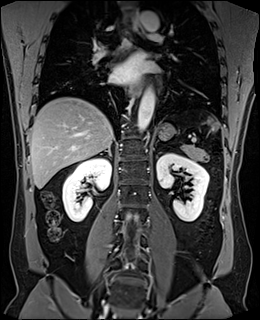
Magnetic resonance imaging, abdomen — coronal plane, index 55 — 1st–99th percentile window
Boxes: x1 y1 x2 y2 (pixel coords, space-separated).
Organ bounding boxes:
- spleen: 207 118 219 130
- right adrenal gland: 99 146 111 156
- left kidney: 156 153 208 221
- left adrenal gland: 157 153 159 156
- right kidney: 62 158 111 221
- esophagus: 131 10 143 35
- esophagus: 130 82 142 96
- liver: 29 97 113 188
- aorta: 137 88 154 132
- aorta: 138 11 159 31
- stomach: 159 123 174 140
- pancreas: 180 144 207 161